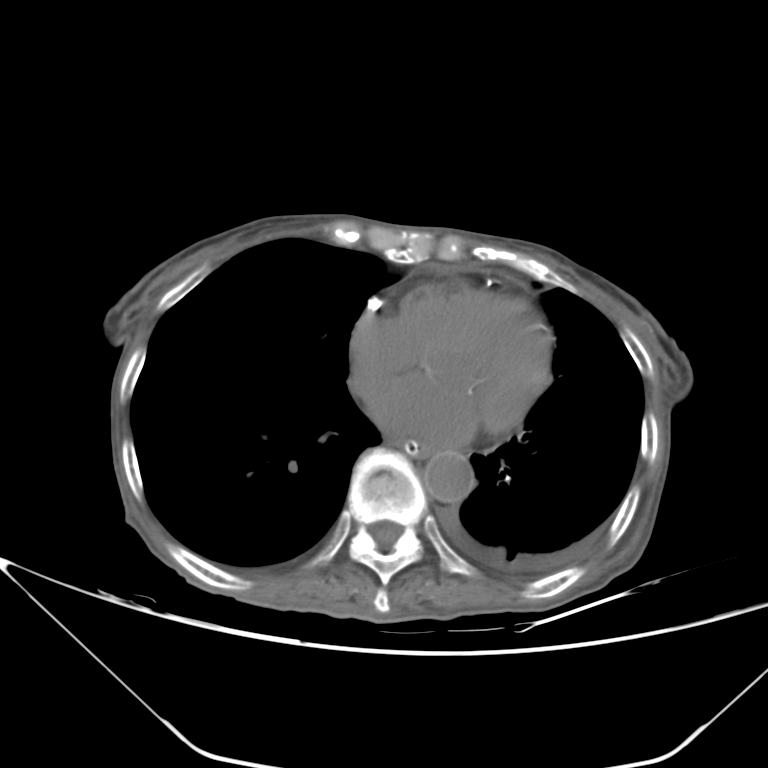 Abdominal CT; this slice is in the lower chest, just above the liver — axial view — 80-year-old female patient
The heart and lungs are never labeled in this dataset, so they have no box on this slice.
Bounding boxes as [x1, y1, x2, y2] in pixel coordinates.
Organ bounding boxes:
- esophagus: [400, 440, 428, 456]
- aorta: [424, 452, 474, 502]